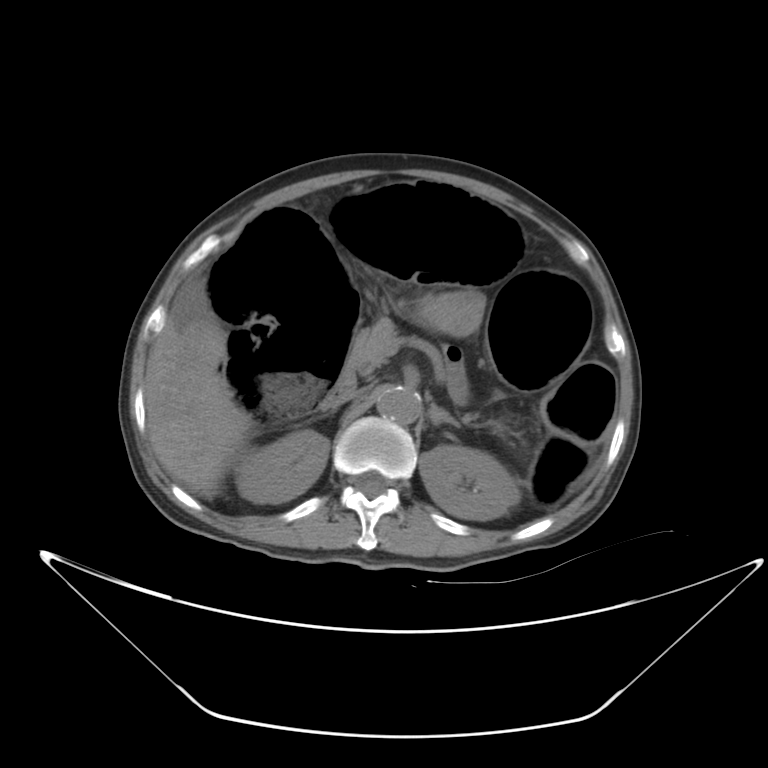

CT abdomen; axial view
Bounding boxes as [x1, y1, x2, y2] in pixel coordinates.
right kidney: [235, 429, 329, 503]
left kidney: [419, 445, 519, 520]
liver: [145, 298, 252, 497]
stomach: [414, 291, 483, 336]
aorta: [376, 386, 421, 424]
inferior vena cava: [324, 391, 356, 407]
pancreas: [342, 318, 398, 382]
left adrenal gland: [429, 404, 460, 427]
duodenum: [330, 375, 354, 397]